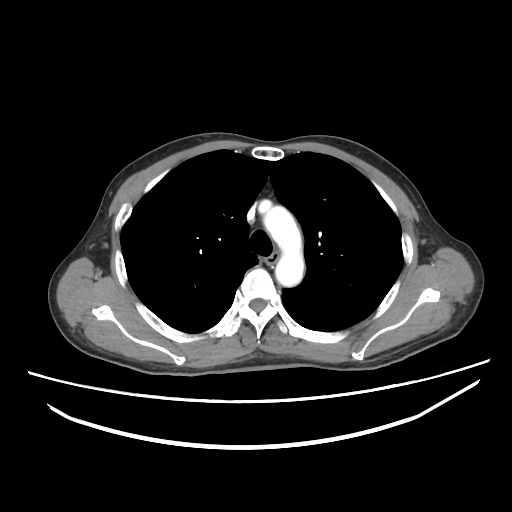
Chest-level slice from an abdominal CT that extends up into the chest — axial view — soft-tissue window (W 400 / L 40) — scan has 13 labeled organs (a whole-scan count: organs this slice does not pass through have no box)
On a slice this high in the chest, this dataset labels only the esophagus and the aorta, and each is boxed only where it is labeled; the heart, lungs and other chest structures are not labeled.
{"organs":{"aorta":[262,205,304,286],"esophagus":[266,251,277,264]}}